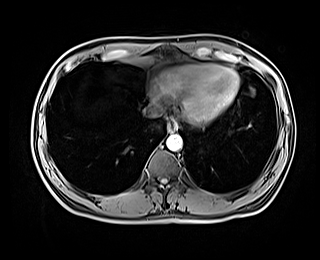
Abdominal MRI; this slice is in the lower chest, just above the liver · axial view · percentile-normalized · 320x260 px · acquired on Prisma
Of the structures in the chest, this dataset labels only the esophagus, the aorta and the inferior vena cava; the heart and lungs have no label.
One row per box, in pixels: columns x1 and y1 give the top-left corner, x2 and y2 the bottom-right.
| organ | x1 | y1 | x2 | y2 |
|---|---|---|---|---|
| esophagus | 167 | 119 | 177 | 132 |
| aorta | 166 | 134 | 182 | 151 |
| inferior vena cava | 143 | 103 | 163 | 117 |